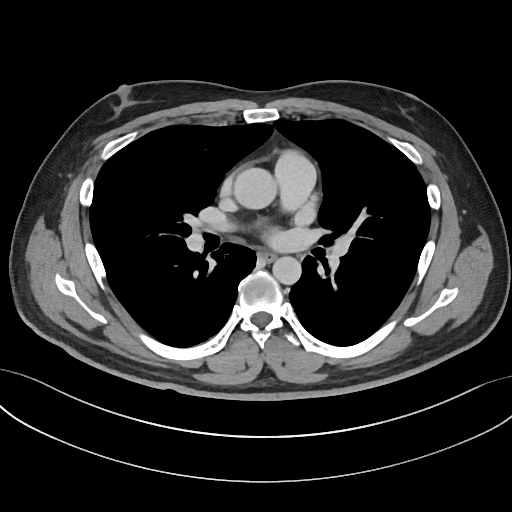

Abdominal CT reaching into the chest; this slice is in the chest. axial view. soft-tissue window (W 400 / L 40)
At this level of the chest this dataset labels only the esophagus and the aorta, and each is boxed only where it is labeled; the heart and lungs are never labeled. Each box given as x1,y1,x2,y2. The annotated organs in this slice are: esophagus at x1=258, y1=251, x2=275, y2=261, aorta at x1=233, y1=168, x2=276, y2=209, aorta at x1=272, y1=256, x2=301, y2=284.